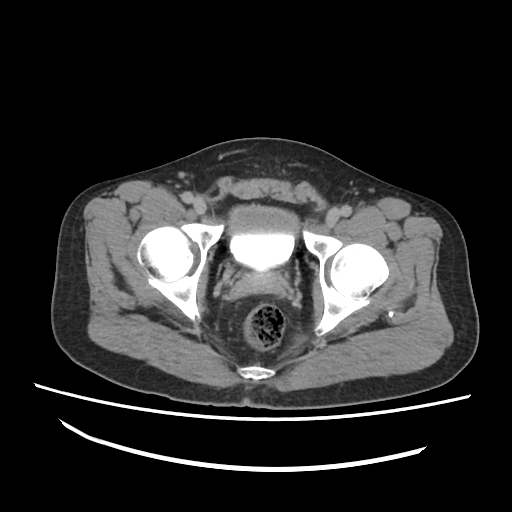
Abdominal CT; axial view; 44-year-old male patient
{"organs":{"bladder":[227,204,298,271]}}